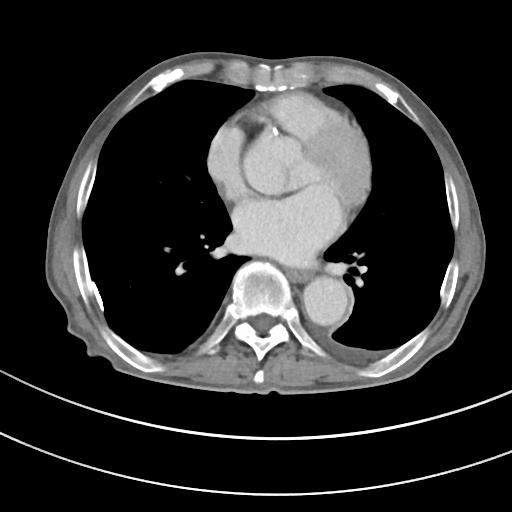 Abdominal CT reaching into the chest; this slice is in the chest. axial view. soft-tissue window, W/L 400/40
At this level of the chest this dataset labels only the esophagus and the aorta, and each is boxed only where it is labeled; the heart and lungs are never labeled.
Coordinates as <box>x1,y1,x2,y2</box> in pixels.
esophagus: <box>288,269,308,281</box>
aorta: <box>303,276,348,325</box>